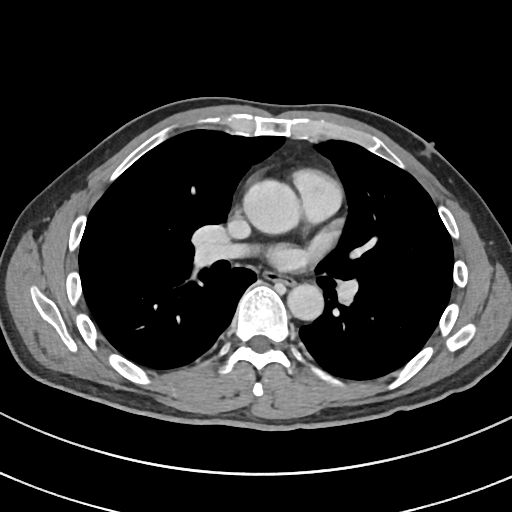
Abdominal CT reaching into the chest; this slice is in the chest; axial view; 15 organs annotated in this scan (a whole-scan count: organs this slice does not pass through have no box)
At this level of the chest this dataset labels only the esophagus and the aorta, and each is boxed only where it is labeled; the heart and lungs are never labeled. Bounding boxes as [x1, y1, x2, y2] in pixel coordinates. The annotated organs in this slice are: esophagus at [265, 272, 294, 285], aorta at [245, 181, 300, 234], aorta at [287, 283, 323, 320].